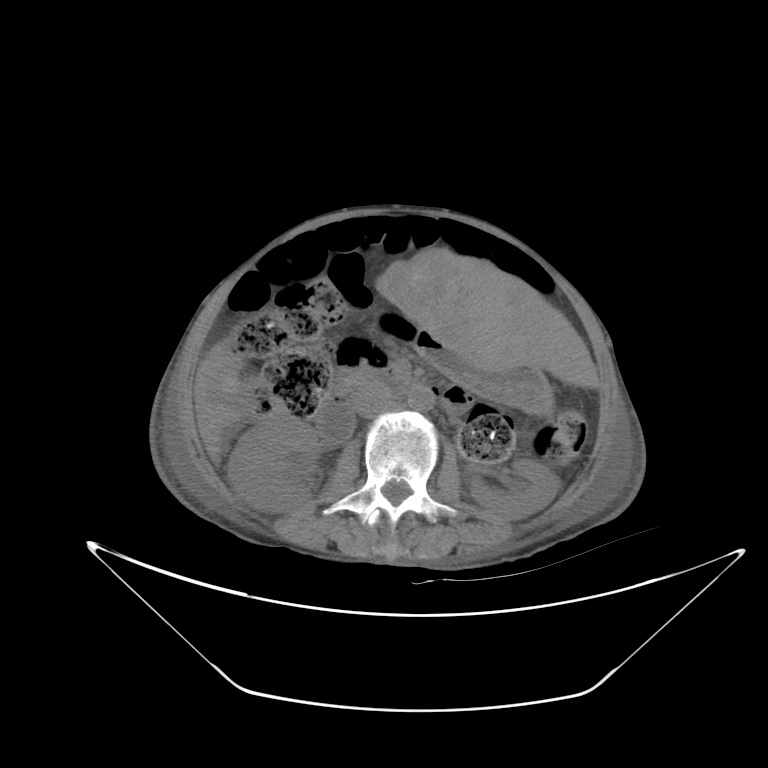
CT abdomen; Axial slice 61/108; soft-tissue window; 15 organs annotated in this scan (counted over the whole 3D scan, not this slice; an organ is boxed only where this slice passes through it)
{"organs":{"right kidney":[228,416,319,512],"left kidney":[470,459,557,520],"gall bladder":[525,388,538,394],"liver":[194,248,598,459],"stomach":[377,314,555,409],"aorta":[407,386,434,411],"inferior vena cava":[352,384,392,417],"pancreas":[339,372,356,388],"duodenum":[314,364,420,442]}}